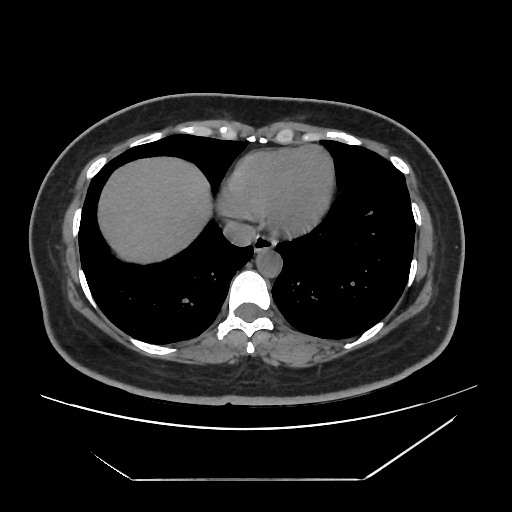
Abdominal CT — axial view — W/L 400/40 HU — 512x512 px — 15 organs annotated in this scan (that count is for the whole scan; organs this slice misses have no box)
Bounding boxes as [x1, y1, x2, y2] in pixel coordinates. Labeled organs on this slice: esophagus at [253, 233, 275, 253], liver at [99, 157, 211, 260], aorta at [256, 249, 282, 277], inferior vena cava at [223, 221, 255, 246].